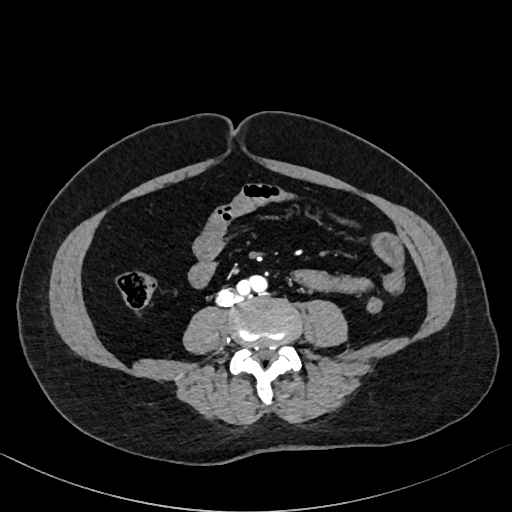 Abdominal CT — axial view — 15 organs annotated in this scan (counted over the whole 3D scan, not this slice; an organ is boxed only where this slice passes through it)
Coordinates as <box>x1,y1,x2,y2</box> in pixels. The annotated organs in this slice are: aorta at <box>237,274,265,294</box>.